Abdominal CT reaching into the chest; this slice is in the chest — axial view
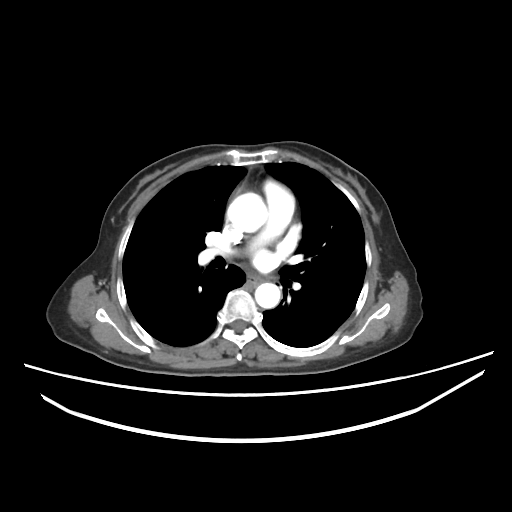
At this level of the chest this dataset labels only the esophagus and the aorta, and each is boxed only where it is labeled; the heart and lungs are never labeled.
<organs><organ name="aorta" x1="227" y1="195" x2="265" y2="232"/><organ name="aorta" x1="254" y1="282" x2="282" y2="308"/><organ name="esophagus" x1="245" y1="277" x2="263" y2="285"/></organs>